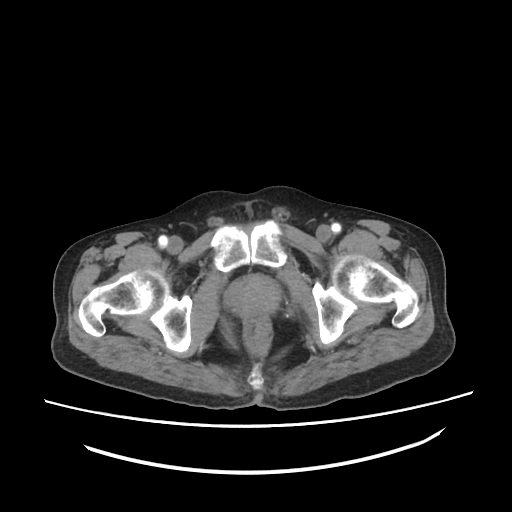

CT, abdomen/pelvis. Axial slice 14/135. scan has 15 labeled organs (that count is for the whole scan; organs this slice misses have no box)
Boxes: x1 y1 x2 y2 (pixel coords, space-separated). 1 labeled organ on this slice — prostate/uterus at 226 277 279 316.